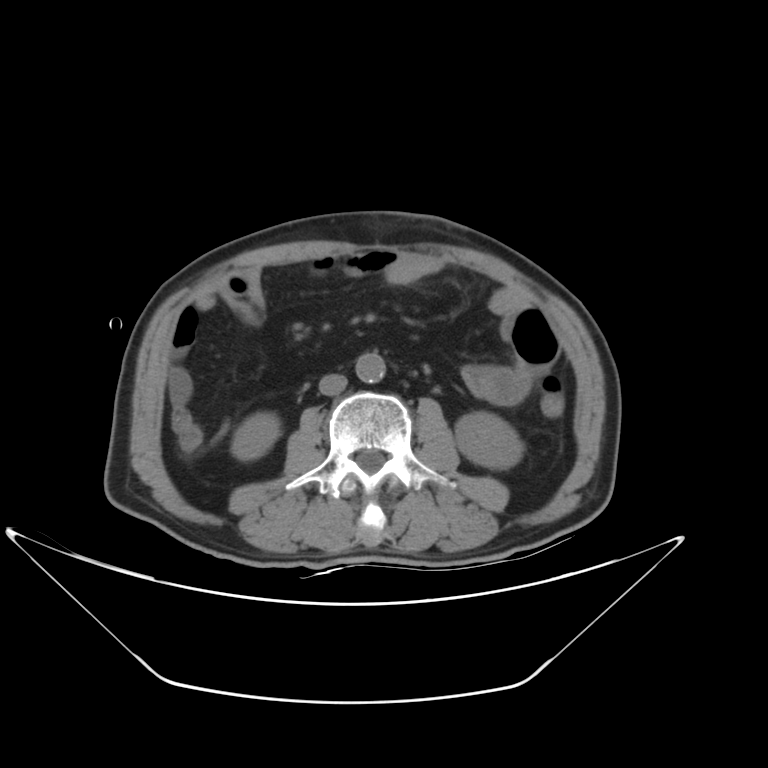 CT abdomen — Axial slice 55/104 — W/L 400/40 HU — 768x768 px — 65-year-old male patient — Brilliance16 scanner
Bounding boxes as [x1, y1, x2, y2] in pixel coordinates.
Organ bounding boxes:
- aorta: [355, 352, 386, 383]
- inferior vena cava: [319, 374, 346, 394]
- left kidney: [455, 412, 522, 468]
- right kidney: [231, 413, 279, 459]